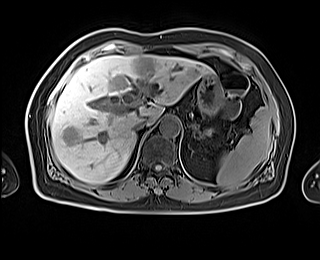 MRI, abdomen; axial view; 1st–99th percentile window; 320x260 px
{"organs":{"spleen":[216,107,270,186],"liver":[51,55,212,183],"stomach":[197,74,223,116],"aorta":[159,117,179,136],"inferior vena cava":[132,119,147,133]}}